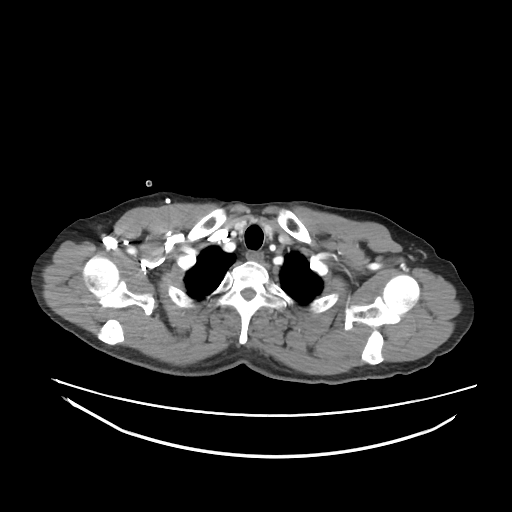

Chest-level CT slice, above the liver and spleen; axial view; acquired on Aquilion ONE
At this level of the chest this dataset labels only the esophagus and the aorta, and each is boxed only where it is labeled; the heart and lungs are never labeled.
Boxes: x1:y1:x2:y2 in pixels.
Organ bounding boxes:
- esophagus: 247:251:263:260